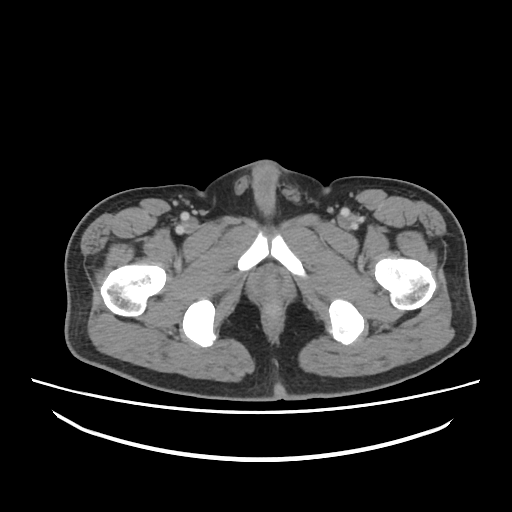

Abdominal CT. axial view. soft-tissue window (W 400 / L 40)
Bounding boxes in pixels, one row per box: x1, y1 is the top-left corner and x2, y2 the bottom-right.
| organ | x1 | y1 | x2 | y2 |
|---|---|---|---|---|
| prostate/uterus | 259 | 273 | 280 | 293 |